Computed tomography, abdomen — axial view — soft-tissue window
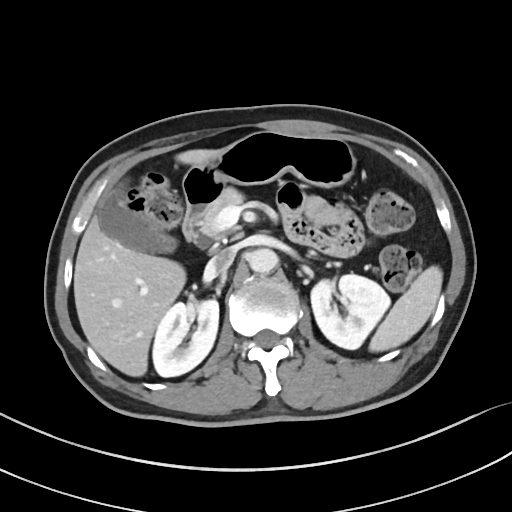
Box edges are left/top/right/bottom in pixels. The annotated organs in this slice are: stomach at left=182, top=131, right=356, bottom=191, duodenum at left=182, top=166, right=226, bottom=240, inferior vena cava at left=204, top=248, right=235, bottom=280, liver at left=74, top=149, right=217, bottom=376, aorta at left=247, top=248, right=278, bottom=273, left kidney at left=311, top=274, right=390, bottom=349, spleen at left=369, top=266, right=442, bottom=351, right kidney at left=152, top=299, right=219, bottom=376, pancreas at left=201, top=187, right=243, bottom=239, gall bladder at left=96, top=181, right=173, bottom=252.